Abdominal CT; axial view
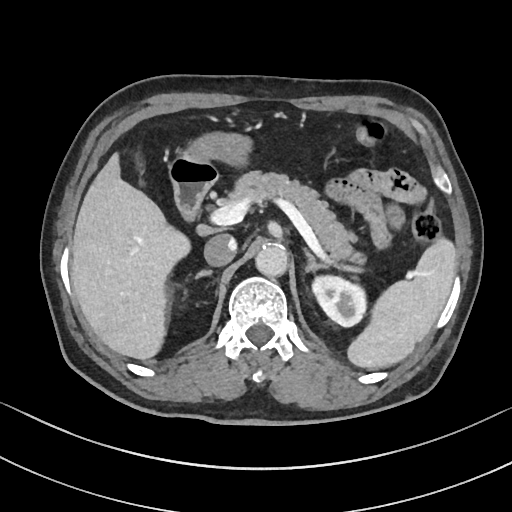 <organs><organ name="inferior vena cava" x1="204" y1="234" x2="236" y2="266"/><organ name="gall bladder" x1="134" y1="151" x2="144" y2="173"/><organ name="aorta" x1="255" y1="245" x2="287" y2="276"/><organ name="liver" x1="71" y1="153" x2="190" y2="359"/><organ name="spleen" x1="347" y1="237" x2="456" y2="369"/><organ name="duodenum" x1="169" y1="159" x2="217" y2="221"/><organ name="stomach" x1="176" y1="131" x2="252" y2="167"/><organ name="left adrenal gland" x1="303" y1="247" x2="326" y2="272"/><organ name="right adrenal gland" x1="195" y1="269" x2="212" y2="278"/><organ name="pancreas" x1="219" y1="171" x2="366" y2="265"/><organ name="left kidney" x1="312" y1="275" x2="366" y2="326"/></organs>